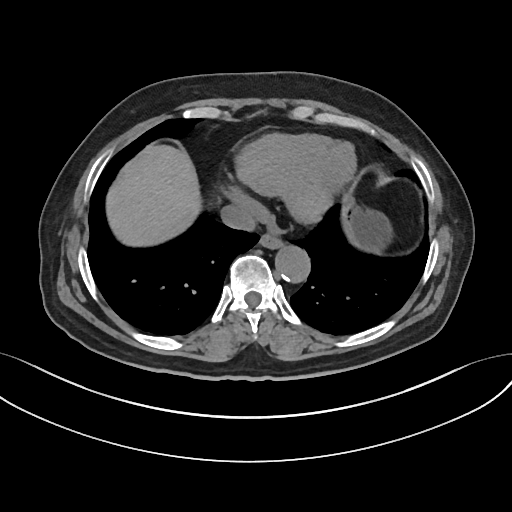
Abdominal CT · axial plane, index 192 · soft-tissue window (W 400 / L 40)
<organs><organ name="esophagus" x1="259" y1="235" x2="283" y2="250"/><organ name="liver" x1="108" y1="144" x2="200" y2="245"/><organ name="stomach" x1="345" y1="206" x2="388" y2="248"/><organ name="aorta" x1="275" y1="246" x2="311" y2="283"/><organ name="inferior vena cava" x1="221" y1="205" x2="259" y2="232"/></organs>